Computed tomography, abdomen · axial view · soft-tissue window · 512x512 px · acquired on SOMATOM Force
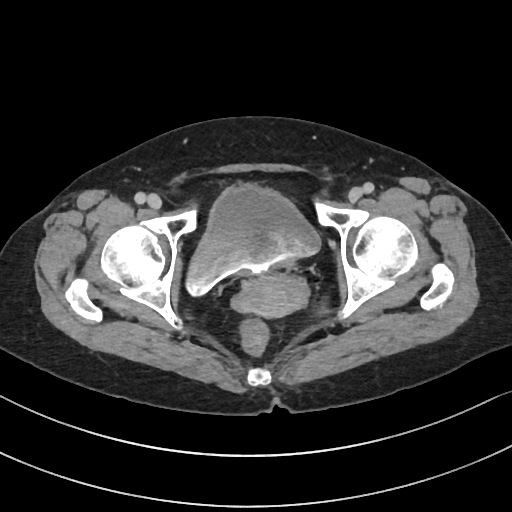

Boxes: x1:y1:x2:y2 in pixels.
bladder: 186:185:320:295
prostate/uterus: 234:273:308:317